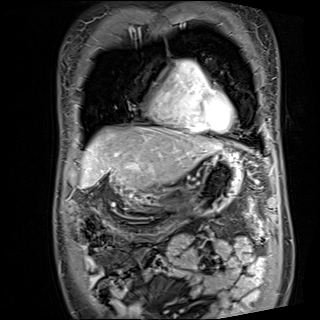
MRI, abdomen. Coronal slice 49/60. 1st–99th percentile window. 320x320 px
Coordinates as <box>x1,y1,x2,y2</box> in pixels.
liver: <box>81,127,221,189</box>
stomach: <box>126,148,242,214</box>
duodenum: <box>127,197,133,204</box>